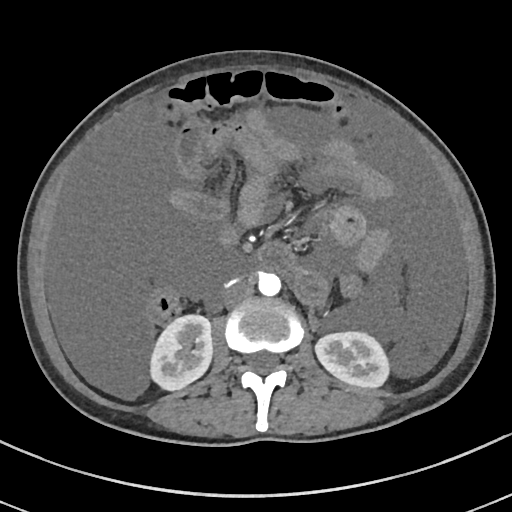 CT abdomen. axial view. 512x512 px
Boxes are (x1, y1, x2, y2) in pixels.
right kidney: (149, 315, 212, 389)
left kidney: (315, 332, 390, 389)
aorta: (258, 272, 281, 295)
inferior vena cava: (223, 280, 254, 305)